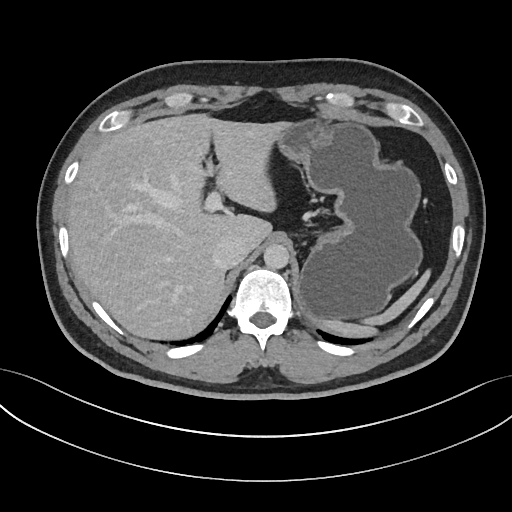

CT abdomen · axial view · abdomen soft-tissue window · 512x512 px
Boxes are (x1, y1, x2, y2) in pixels.
Organ bounding boxes:
- spleen: (318, 271, 431, 338)
- liver: (66, 114, 293, 338)
- stomach: (280, 120, 423, 320)
- aorta: (263, 244, 289, 269)
- inferior vena cava: (213, 236, 247, 268)